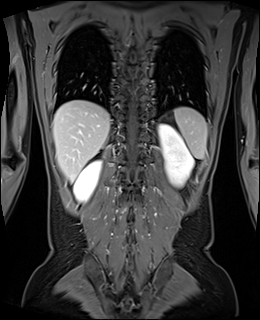
Abdominal MR — coronal view — 260x320 px
Organ boxes in pixel coordinates; each row gives the top-left (x1, y1) and bottom-right (x2, y2) corners.
| organ | x1 | y1 | x2 | y2 |
|---|---|---|---|---|
| spleen | 174 | 107 | 207 | 158 |
| left kidney | 159 | 124 | 193 | 185 |
| right kidney | 73 | 160 | 101 | 201 |
| liver | 53 | 100 | 110 | 181 |